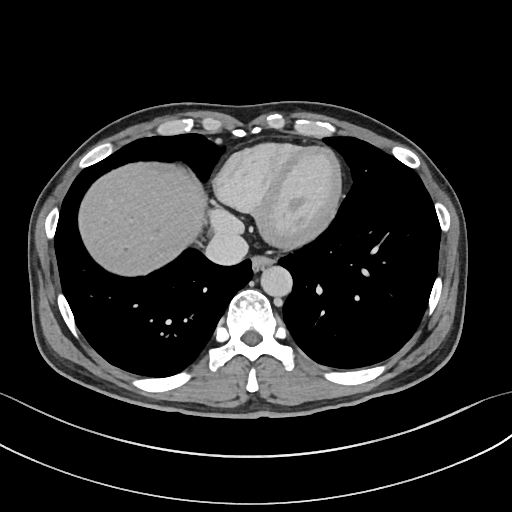
CT abdomen — axial plane, index 218 — abdomen soft-tissue window — 512x512 px — acquired on SOMATOM Force
One row per box, in pixels: columns x1 and y1 give the top-left corner, x2 and y2 the bottom-right.
| organ | x1 | y1 | x2 | y2 |
|---|---|---|---|---|
| liver | 79 | 162 | 205 | 275 |
| aorta | 260 | 266 | 292 | 297 |
| inferior vena cava | 205 | 232 | 248 | 265 |
| esophagus | 252 | 255 | 273 | 271 |